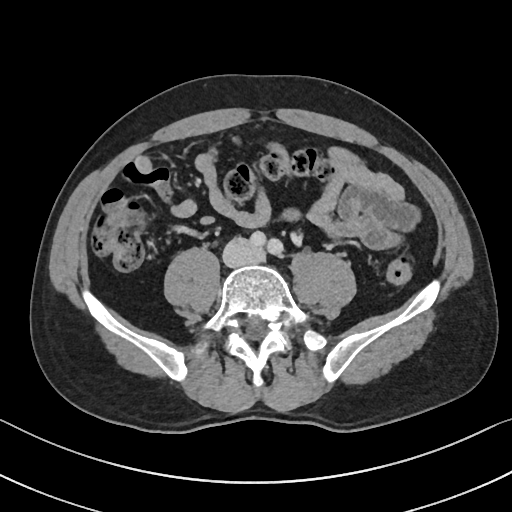 CT, abdomen/pelvis — axial view — soft-tissue window
Boxes are (x1, y1, x2, y2) in pixels. 1 labeled organ on this slice — inferior vena cava at (222, 237, 261, 266).